CT abdomen — axial view — acquired on Aquilion ONE
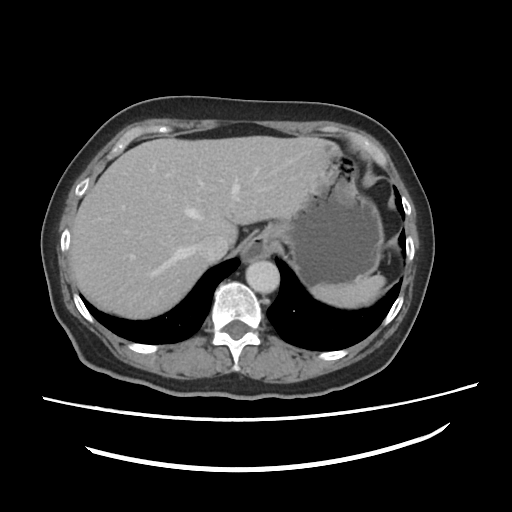

<organs><organ name="spleen" x1="310" y1="273" x2="384" y2="308"/><organ name="esophagus" x1="239" y1="236" x2="267" y2="260"/><organ name="inferior vena cava" x1="197" y1="236" x2="229" y2="260"/><organ name="liver" x1="71" y1="137" x2="340" y2="318"/><organ name="aorta" x1="245" y1="259" x2="281" y2="293"/><organ name="stomach" x1="257" y1="152" x2="384" y2="286"/></organs>